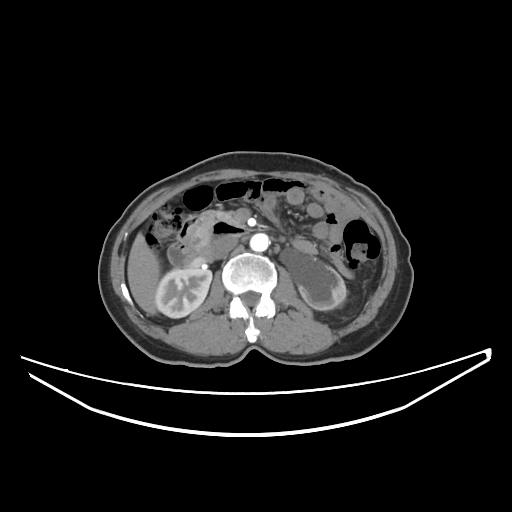
Computed tomography, abdomen · Axial slice 57/120 · soft-tissue window · 62-year-old male patient · acquired on Aquilion ONE · scan has 15 labeled organs (counted over the whole 3D scan, not this slice; an organ is boxed only where this slice passes through it)
Coordinates as <box>x1,y1,x2,y2</box> in pixels. The annotated organs in this slice are: right kidney at <box>155,268,212,318</box>, left kidney at <box>298,258,346,310</box>, liver at <box>127,232,159,314</box>, aorta at <box>250,233,269,251</box>, inferior vena cava at <box>212,236,237,258</box>, pancreas at <box>193,210,240,245</box>, duodenum at <box>178,213,249,260</box>.